Abdominal CT; axial plane, index 118; soft-tissue window (W 400 / L 40); SOMATOM Force scanner
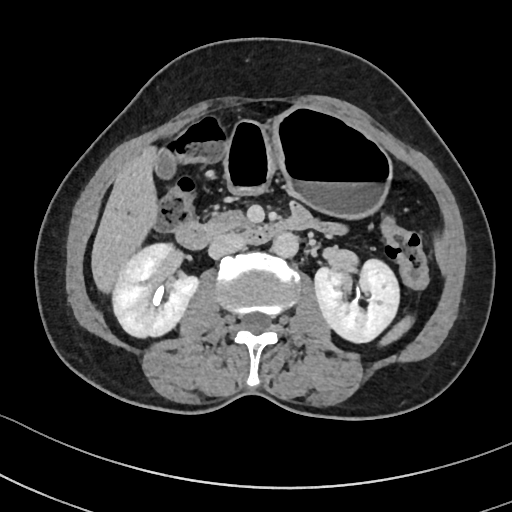

Boxes are (x1, y1, x2, y2) in pixels.
spleen: (380, 316, 413, 345)
right kidney: (112, 243, 198, 337)
left kidney: (314, 259, 399, 342)
gall bladder: (154, 147, 174, 178)
liver: (91, 146, 158, 292)
stomach: (225, 108, 391, 217)
aorta: (272, 232, 298, 257)
inferior vena cava: (208, 233, 246, 258)
pancreas: (209, 210, 248, 231)
duodenum: (175, 214, 311, 249)